Computed tomography, abdomen · axial view · W/L 400/40 HU · scan has 15 labeled organs (counted over the whole 3D scan, not this slice; an organ is boxed only where this slice passes through it)
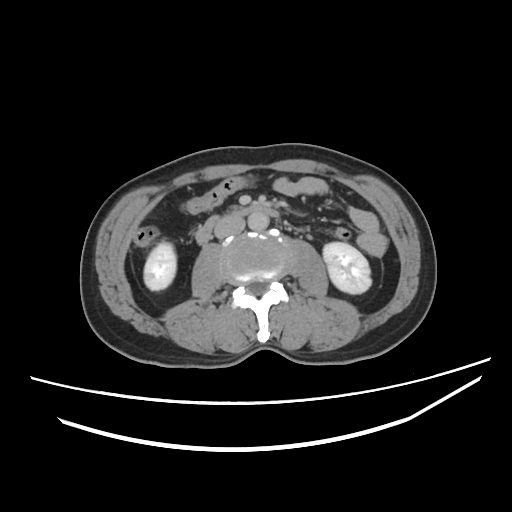 {"organs":{"left kidney":[322,241,371,293],"duodenum":[196,203,279,244],"aorta":[247,211,269,231],"right kidney":[143,243,176,290],"inferior vena cava":[214,215,245,238]}}